Computed tomography, abdomen; axial view; acquired on Aquilion ONE
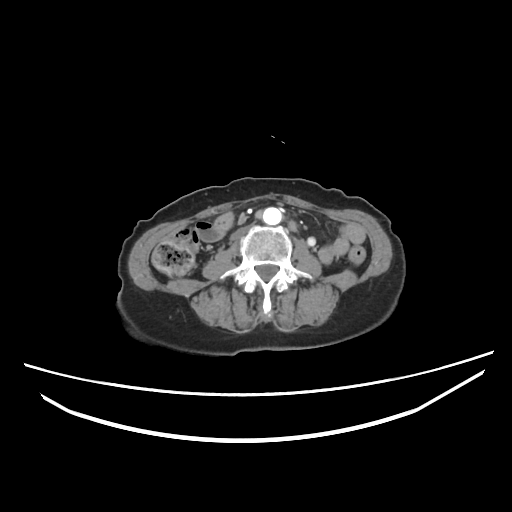 Each box given as x1,y1,x2,y2.
Organ bounding boxes:
- aorta: x1=263, y1=207, x2=283, y2=225
- inferior vena cava: x1=228, y1=226, x2=249, y2=240